CT of the abdomen extending into the chest, slice through the chest; axial plane, index 324; 512x512 px
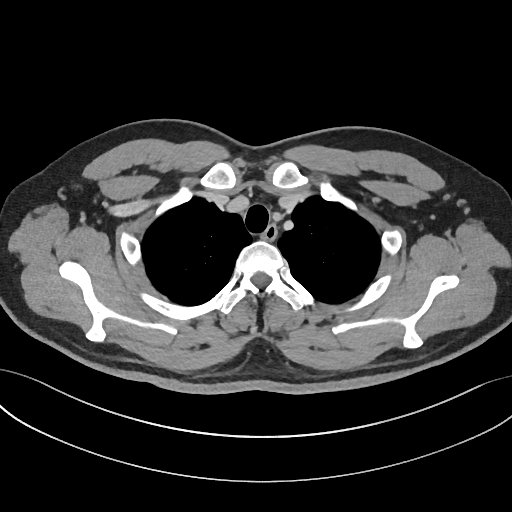

At this level of the chest this dataset labels only the esophagus and the aorta, and each is boxed only where it is labeled; the heart and lungs are never labeled.
{"organs":{"esophagus":[262,225,277,241]}}